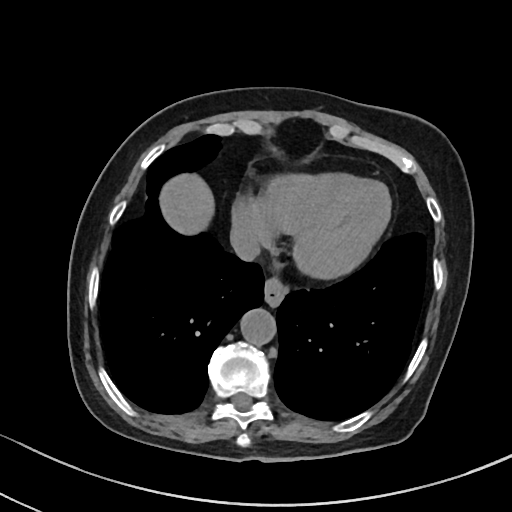

Computed tomography, abdomen; axial view; soft-tissue window; 512x512 px
<organs><organ name="esophagus" x1="264" y1="277" x2="289" y2="305"/><organ name="liver" x1="161" y1="173" x2="215" y2="235"/><organ name="aorta" x1="239" y1="307" x2="276" y2="343"/><organ name="inferior vena cava" x1="230" y1="225" x2="260" y2="260"/></organs>